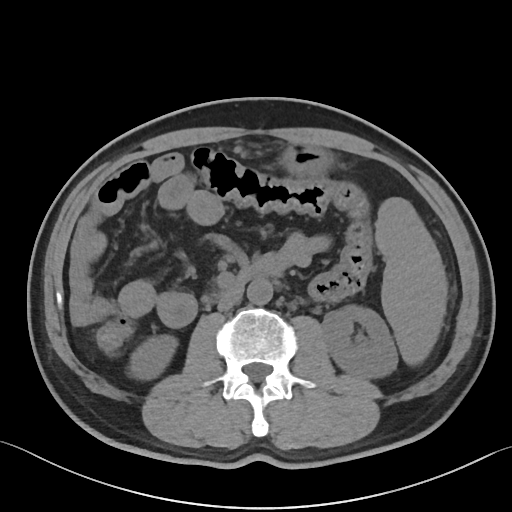
CT abdomen · axial view · 15 organs annotated in this scan (that count is for the whole scan; organs this slice misses have no box)
Bounding boxes in pixels, one row per box: x1, y1 is the top-left corner and x2, y2 the bottom-right.
| organ | x1 | y1 | x2 | y2 |
|---|---|---|---|---|
| spleen | 375 | 197 | 447 | 364 |
| right kidney | 130 | 335 | 177 | 379 |
| left kidney | 322 | 304 | 397 | 378 |
| stomach | 281 | 144 | 332 | 174 |
| aorta | 247 | 278 | 272 | 304 |
| inferior vena cava | 217 | 291 | 242 | 311 |
| duodenum | 224 | 259 | 279 | 294 |